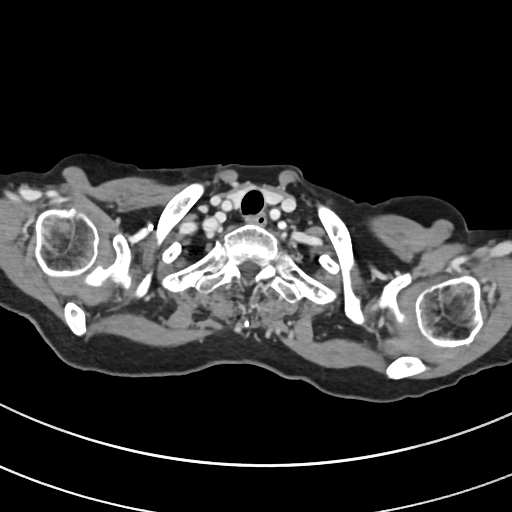 Chest-level CT slice, above the liver and spleen · Axial slice 279/284
At this level of the chest no structure but the esophagus and the aorta has a label in this dataset, and those two are boxed only where they are labeled.
<organs><organ name="esophagus" x1="247" y1="213" x2="269" y2="226"/></organs>